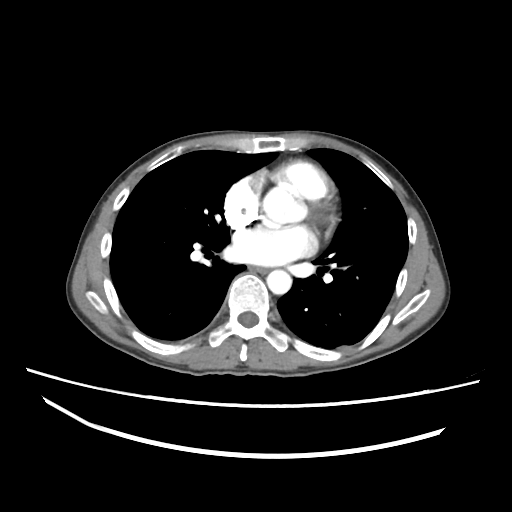
Abdominal CT reaching into the chest; this slice is in the chest. axial plane, index 105. 40-year-old male patient. Aquilion ONE scanner
At this level of the chest this dataset labels only the esophagus and the aorta, and each is boxed only where it is labeled; the heart and lungs are never labeled.
{"organs":{"esophagus":[249,265,268,273],"aorta":[266,269,291,294]}}